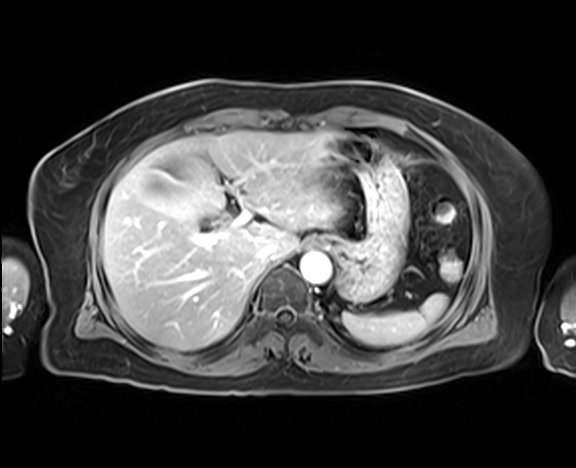

Magnetic resonance imaging, abdomen · axial view · 576x468 px
<organs><organ name="esophagus" x1="312" y1="235" x2="331" y2="247"/><organ name="aorta" x1="299" y1="253" x2="331" y2="284"/><organ name="inferior vena cava" x1="259" y1="243" x2="276" y2="261"/><organ name="gall bladder" x1="143" y1="169" x2="183" y2="194"/><organ name="liver" x1="102" y1="130" x2="341" y2="350"/><organ name="spleen" x1="342" y1="294" x2="447" y2="345"/><organ name="stomach" x1="328" y1="133" x2="408" y2="302"/></organs>